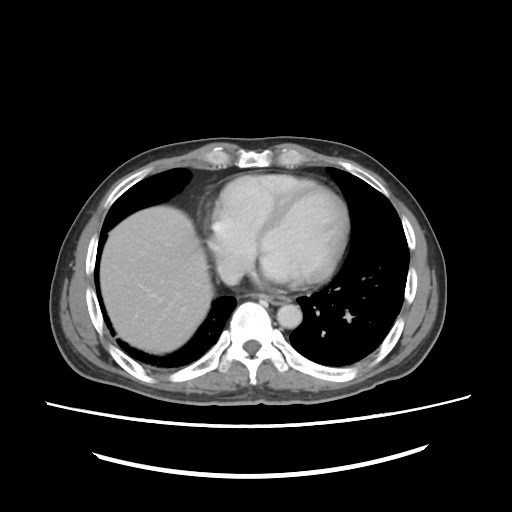
CT abdomen · axial view · abdomen soft-tissue window
Each box given as x1,y1,x2,y2. 4 labeled organs on this slice — esophagus at x1=266, y1=295, x2=289, y2=303; liver at x1=99, y1=205, x2=210, y2=352; aorta at x1=276, y1=305, x2=302, y2=327; inferior vena cava at x1=218, y1=259, x2=242, y2=283.